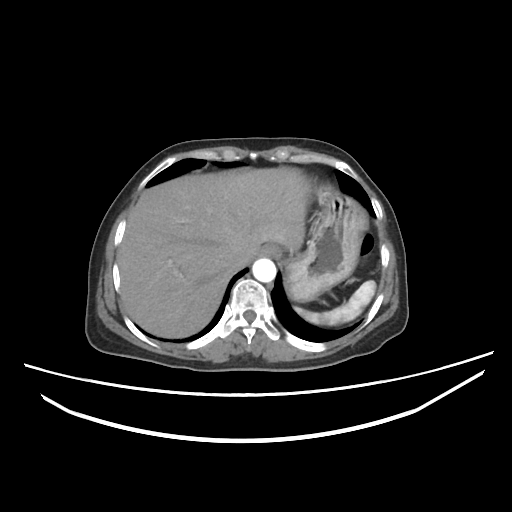 Abdominal CT — Axial slice 84/122 — 14 organs annotated in this scan (that count is for the whole scan; organs this slice misses have no box)
Coordinates as <box>x1,y1,x2,y2</box> in pixels.
Organ bounding boxes:
- spleen: <box>294,281,376,325</box>
- esophagus: <box>261,244,283,258</box>
- liver: <box>117,168,310,337</box>
- aorta: <box>253,258,276,283</box>
- inferior vena cava: <box>237,240,260,269</box>
- stomach: <box>286,189,366,301</box>